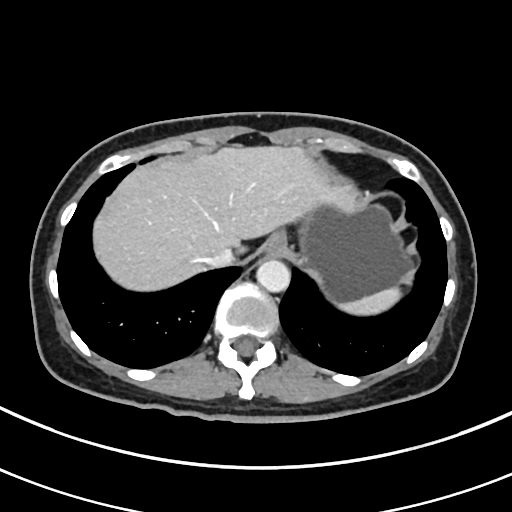
CT, abdomen/pelvis; axial view; acquired on SOMATOM Force; 15 organs annotated in this scan (counted over the whole 3D scan, not this slice; an organ is boxed only where this slice passes through it)
Boxes: x1 y1 x2 y2 (pixel coords, space-separated). 6 labeled organs on this slice — stomach at 301 202 411 302; esophagus at 262 232 286 257; liver at 93 146 353 291; spleen at 339 287 401 315; aorta at 256 258 290 292; inferior vena cava at 205 246 234 267.